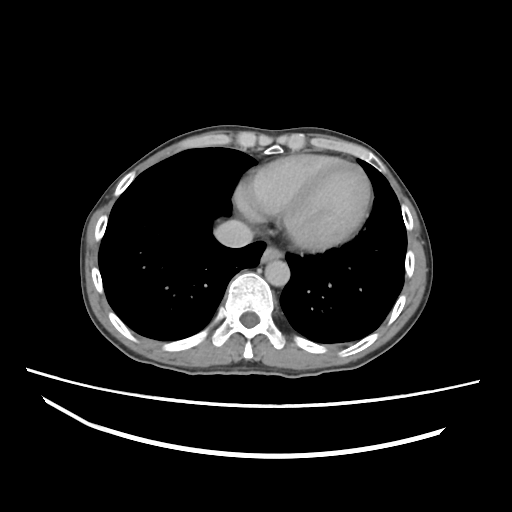

Abdominal CT; this slice is in the lower chest, just above the liver; Axial slice 96/101; Aquilion ONE scanner
Of the structures in the chest, this dataset labels only the esophagus, the aorta and the inferior vena cava; the heart and lungs have no label.
<organs><organ name="esophagus" x1="260" y1="246" x2="282" y2="262"/><organ name="aorta" x1="264" y1="259" x2="288" y2="285"/><organ name="inferior vena cava" x1="214" y1="219" x2="254" y2="247"/></organs>